Abdominal CT — axial plane, index 55 — 66-year-old male patient — acquired on Brilliance16
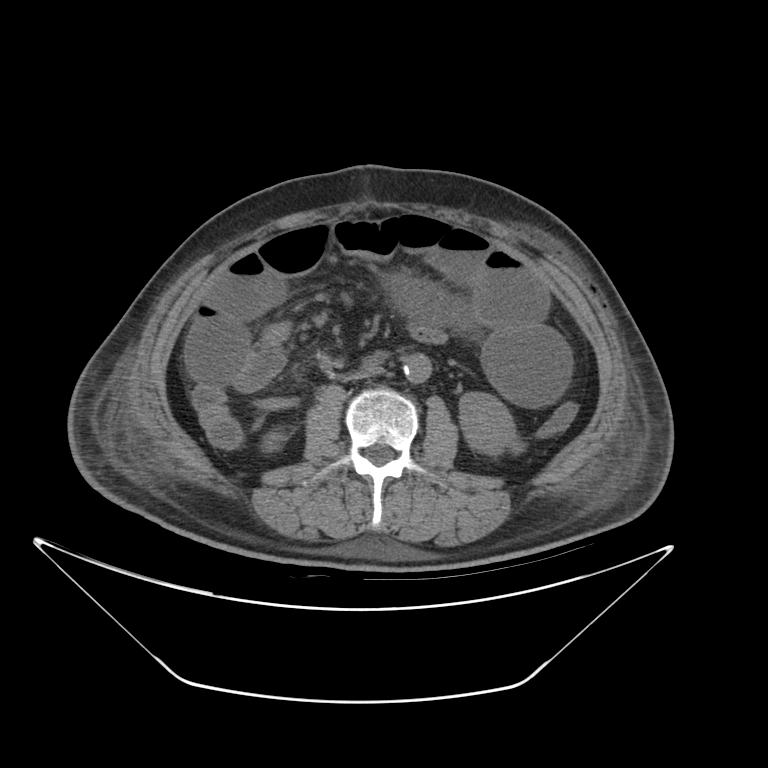

Boxes are (x1, y1, x2, y2) in pixels.
Organ bounding boxes:
- right kidney: (258, 431, 287, 452)
- left kidney: (457, 394, 525, 455)
- aorta: (405, 352, 429, 382)
- inferior vena cava: (341, 367, 382, 384)